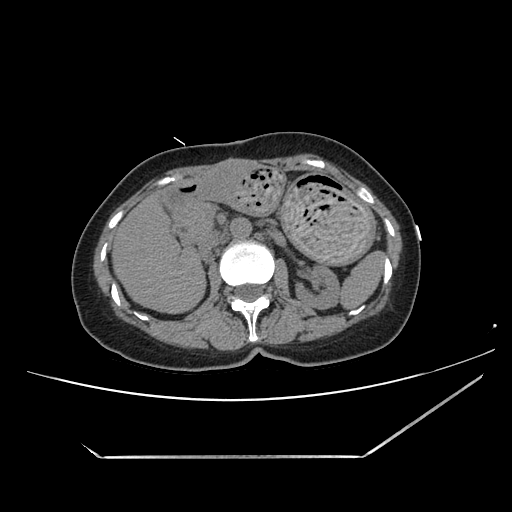 CT, abdomen/pelvis · axial view · soft-tissue window (W 400 / L 40) · 512x512 px · acquired on SOMATOM Force
Each box given as x1,y1,x2,y2. 8 labeled organs on this slice — spleen at x1=340, y1=251, x2=384, y2=309; left kidney at x1=296, y1=265, x2=340, y2=309; liver at x1=111, y1=192, x2=206, y2=313; stomach at x1=172, y1=160, x2=373, y2=263; aorta at x1=230, y1=217, x2=251, y2=238; inferior vena cava at x1=198, y1=234, x2=222, y2=256; pancreas at x1=175, y1=198, x2=216, y2=242; duodenum at x1=160, y1=189, x2=191, y2=244.